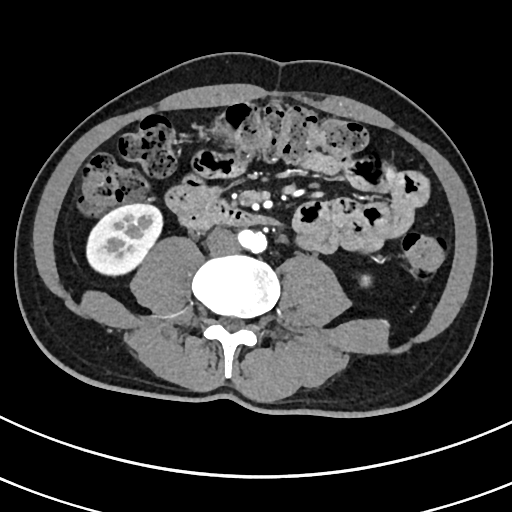

Abdominal CT · axial view · SOMATOM Force scanner
Box edges are left/top/right/bottom in pixels.
right kidney: left=88, top=204, right=162, bottom=273
left kidney: left=363, top=276, right=369, bottom=287
aorta: left=236, top=229, right=267, bottom=252
inferior vena cava: left=206, top=227, right=236, bottom=253
duodenum: left=179, top=202, right=266, bottom=229